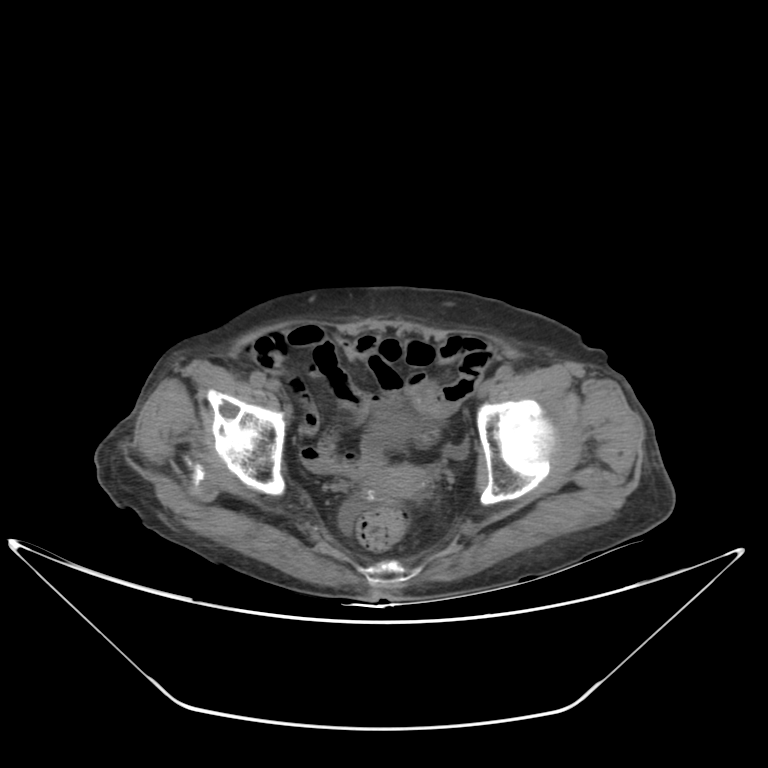 CT, abdomen/pelvis; axial view; female patient aged 90 or older; 15 organs annotated in this scan (counted over the whole 3D scan, not this slice; an organ is boxed only where this slice passes through it)
<organs><organ name="bladder" x1="370" y1="412" x2="413" y2="445"/><organ name="prostate/uterus" x1="367" y1="464" x2="429" y2="498"/></organs>